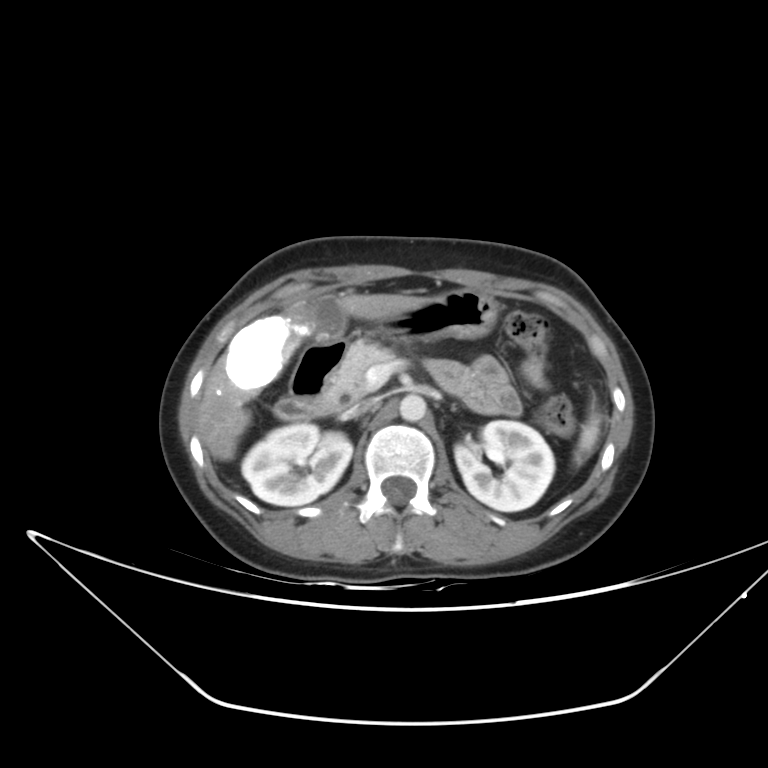 Abdominal CT. axial plane, index 14. soft-tissue window (W 400 / L 40). 13 organs annotated in this scan (a whole-scan count: organs this slice does not pass through have no box)
Bounding boxes as [x1, y1, x2, y2] in pixel coordinates. 10 labeled organs on this slice — spleen at [575, 410, 600, 462]; right kidney at [241, 423, 352, 506]; left kidney at [454, 420, 554, 511]; gall bladder at [308, 294, 343, 339]; liver at [198, 294, 425, 460]; stomach at [382, 289, 497, 343]; aorta at [399, 394, 426, 421]; inferior vena cava at [342, 399, 374, 418]; pancreas at [309, 340, 394, 418]; duodenum at [273, 336, 345, 420].